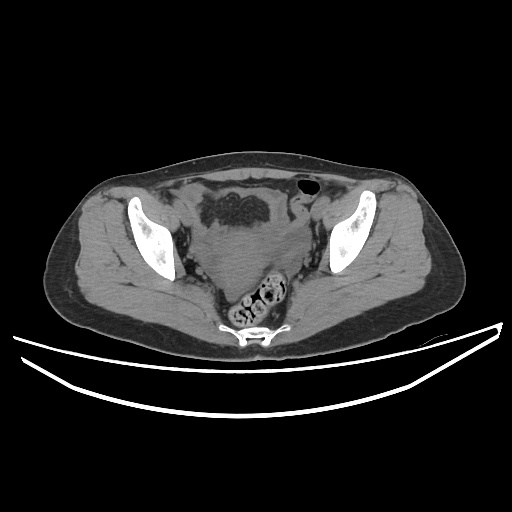
CT abdomen · axial plane, index 16 · soft-tissue window (W 400 / L 40) · 512x512 px
Box edges are left/top/right/bottom in pixels.
Organ bounding boxes:
- prostate/uterus: left=216, top=231, right=267, bottom=289